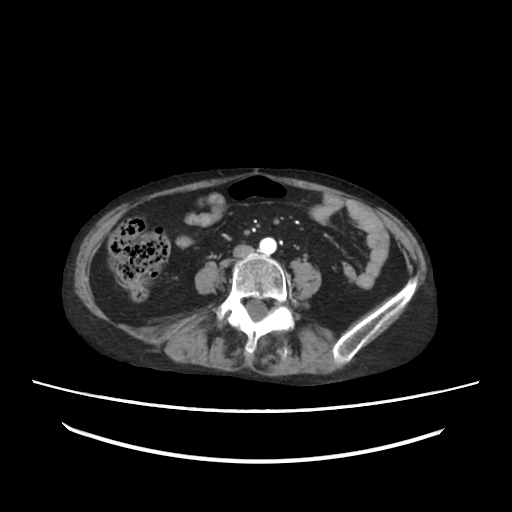

CT, abdomen/pelvis; axial view; soft-tissue window (W 400 / L 40); 61-year-old female patient
<organs><organ name="aorta" x1="259" y1="238" x2="277" y2="253"/><organ name="inferior vena cava" x1="233" y1="244" x2="254" y2="257"/></organs>